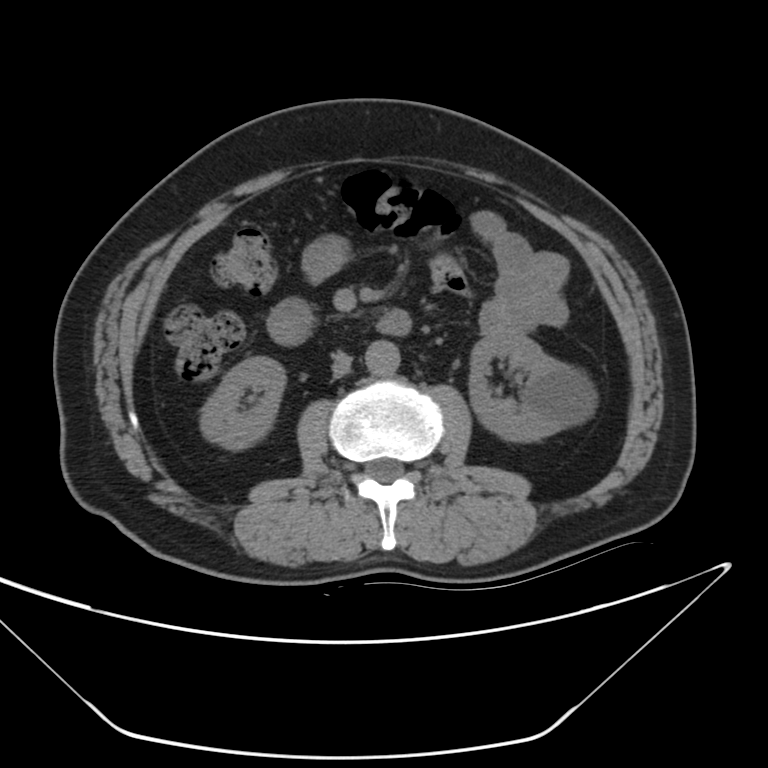 Computed tomography, abdomen. axial view. 50-year-old male patient
<organs><organ name="right kidney" x1="201" y1="356" x2="282" y2="448"/><organ name="left kidney" x1="468" y1="331" x2="594" y2="440"/><organ name="aorta" x1="366" y1="339" x2="399" y2="375"/><organ name="inferior vena cava" x1="332" y1="353" x2="351" y2="377"/><organ name="duodenum" x1="267" y1="302" x2="412" y2="346"/></organs>